CT, abdomen/pelvis; axial view; 768x768 px; acquired on Brilliance16; 15 organs annotated in this scan (counted over the whole 3D scan, not this slice; an organ is boxed only where this slice passes through it)
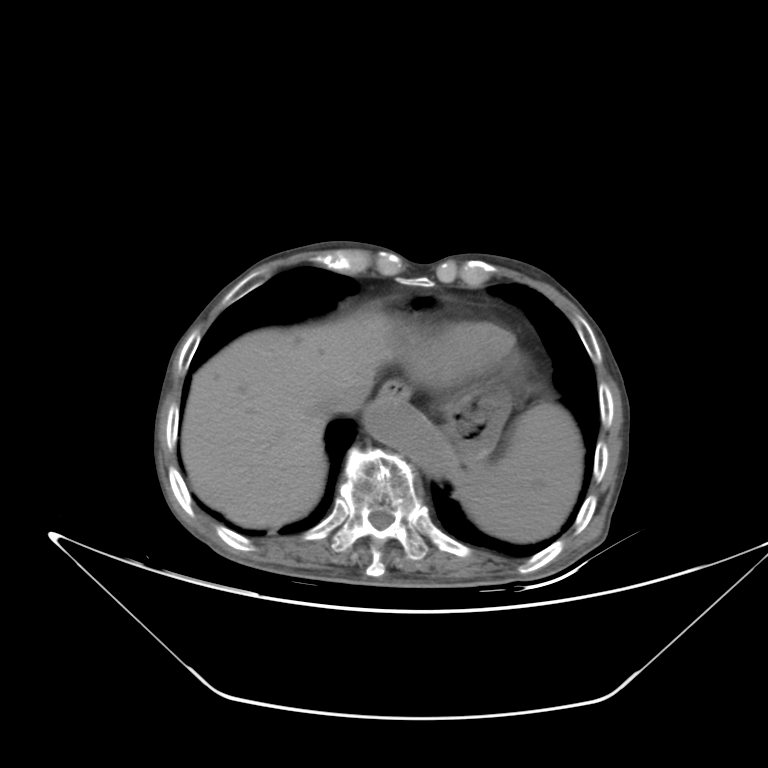 Boxes are (x1, y1, x2, y2) in pixels.
spleen: (453, 401, 581, 541)
esophagus: (377, 382, 412, 401)
liver: (179, 309, 395, 528)
stomach: (439, 381, 510, 461)
aorta: (362, 399, 460, 480)
inferior vena cava: (330, 388, 368, 413)